Computed tomography, abdomen. axial plane, index 72. W/L 400/40 HU. 50-year-old female patient
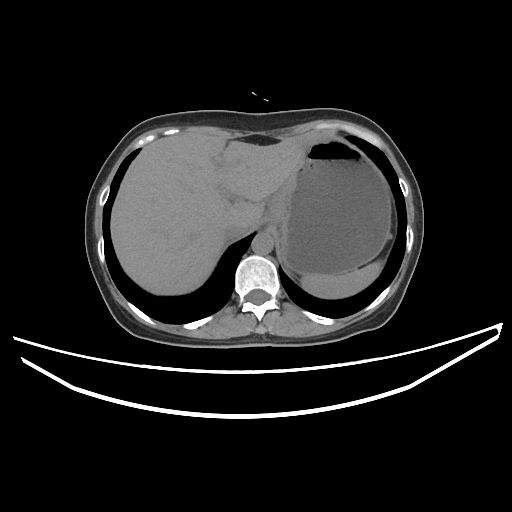
Bounding boxes in pixels, one row per box: x1, y1 is the top-left corner and x2, y2 the bottom-right.
| organ | x1 | y1 | x2 | y2 |
|---|---|---|---|---|
| spleen | 301 | 261 | 382 | 298 |
| liver | 110 | 133 | 328 | 294 |
| stomach | 265 | 139 | 390 | 274 |
| aorta | 251 | 232 | 273 | 254 |
| inferior vena cava | 223 | 222 | 251 | 239 |